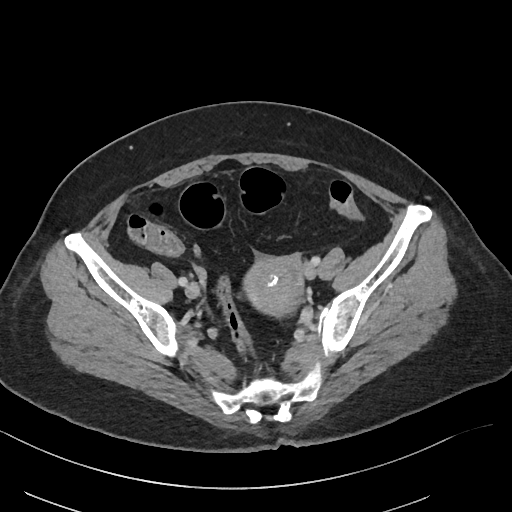

CT abdomen. Axial slice 65/244. soft-tissue window. 512x512 px. SOMATOM Force scanner
Coordinates as <box>x1,y1,x2,y2</box> in pixels.
Organ bounding boxes:
- prostate/uterus: <box>244,256,302,315</box>